CT abdomen; axial plane, index 172; W/L 400/40 HU
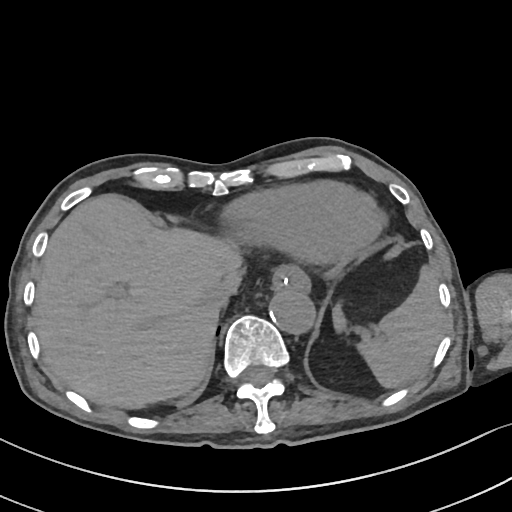 Box edges are left/top/right/bottom in pixels.
Organ bounding boxes:
- spleen: left=334, top=267, right=445, bottom=388
- liver: left=33, top=193, right=241, bottom=409
- inferior vena cava: left=198, top=269, right=244, bottom=316
- aorta: left=268, top=288, right=313, bottom=332
- esophagus: left=272, top=264, right=310, bottom=290